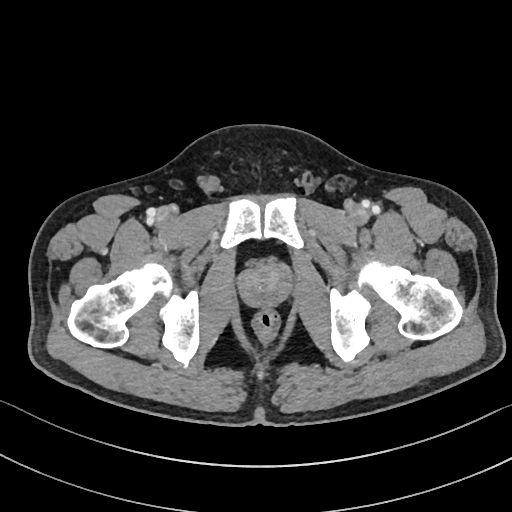
CT abdomen · axial view · scan has 15 labeled organs (that count is for the whole scan; organs this slice misses have no box)
Boxes: x1:y1:x2:y2 in pixels. Labeled organs on this slice: prostate/uterus at 239:264:291:307.